Computed tomography, abdomen — axial view — acquired on SOMATOM Force
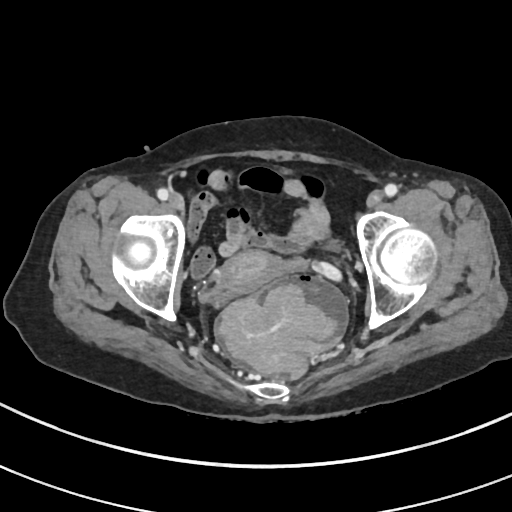
<organs><organ name="bladder" x1="327" y1="239" x2="340" y2="251"/><organ name="prostate/uterus" x1="215" y1="251" x2="283" y2="297"/></organs>